CT abdomen · axial view
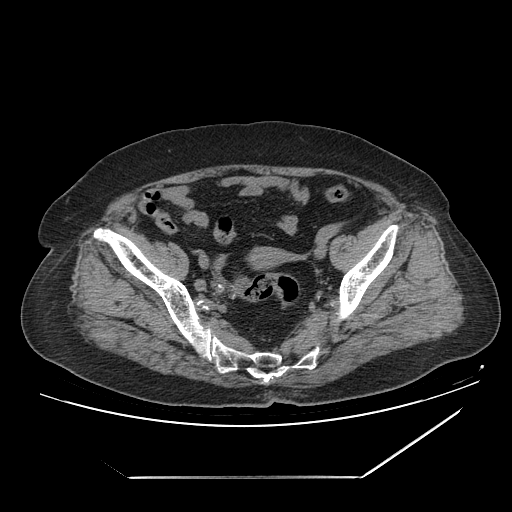 Organ boxes in pixel coordinates; each row gives the top-left (x1, y1) and bottom-right (x2, y2) corners.
| organ | x1 | y1 | x2 | y2 |
|---|---|---|---|---|
| prostate/uterus | 249 | 248 | 280 | 268 |